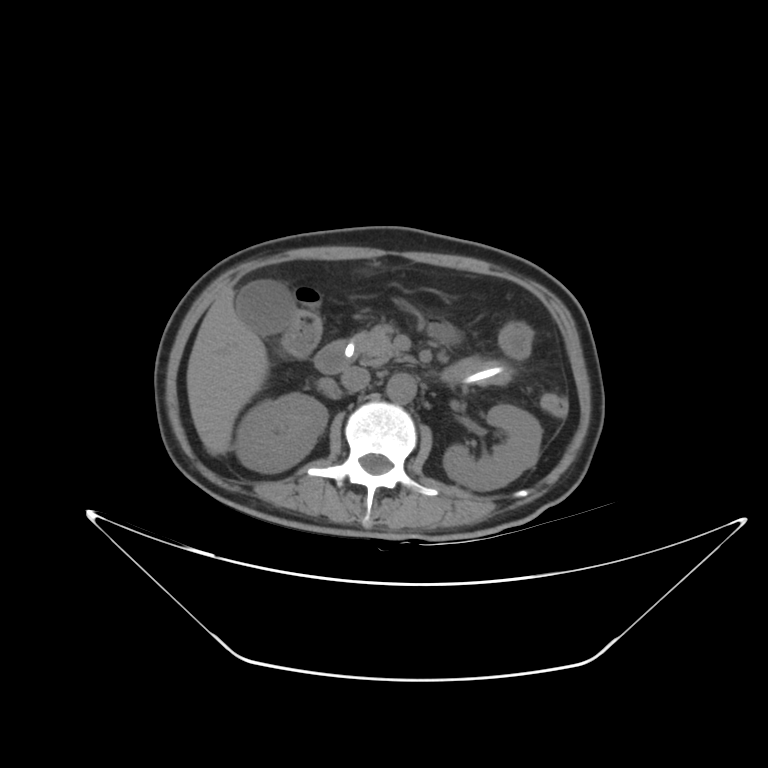 CT abdomen · Axial slice 65/101 · soft-tissue window
Organ boxes in pixel coordinates; each row gives the top-left (x1, y1) and bottom-right (x2, y2) corners.
| organ | x1 | y1 | x2 | y2 |
|---|---|---|---|---|
| aorta | 386 | 373 | 416 | 402 |
| duodenum | 314 | 340 | 350 | 374 |
| right kidney | 234 | 393 | 327 | 472 |
| pancreas | 352 | 324 | 408 | 366 |
| liver | 187 | 289 | 269 | 454 |
| inferior vena cava | 341 | 366 | 369 | 391 |
| gall bladder | 235 | 280 | 293 | 335 |
| left kidney | 443 | 404 | 541 | 490 |